CT, abdomen/pelvis · Axial slice 78/99 · W/L 400/40 HU · 43-year-old female patient
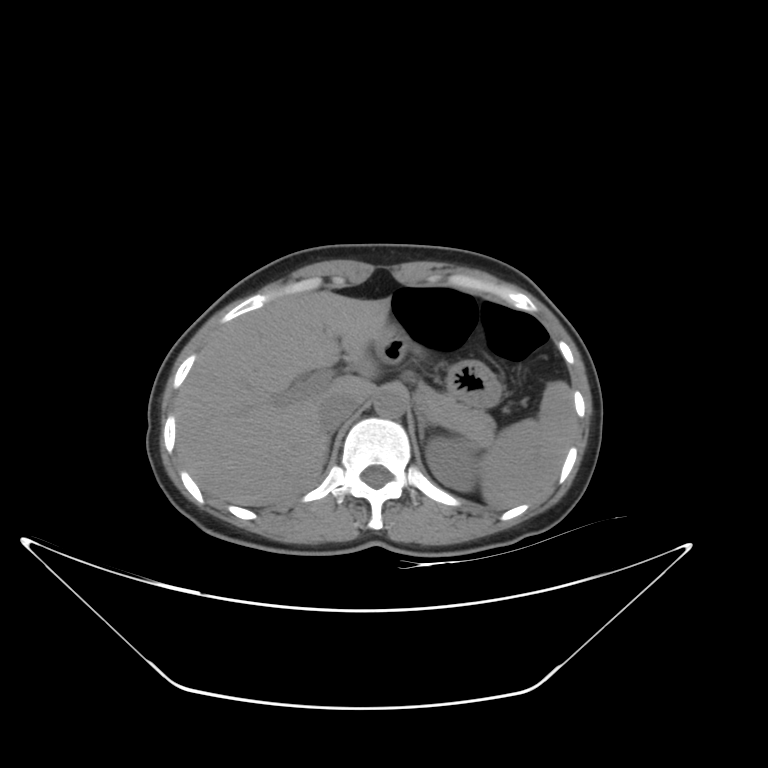 Boxes are (x1, y1, x2, y2) in pixels. The annotated organs in this slice are: spleen at (480, 380, 576, 509), left kidney at (426, 437, 479, 491), liver at (176, 291, 389, 506), stomach at (370, 325, 501, 407), aorta at (374, 385, 407, 418), inferior vena cava at (319, 393, 360, 430), pancreas at (415, 383, 494, 446), left adrenal gland at (418, 415, 435, 441).